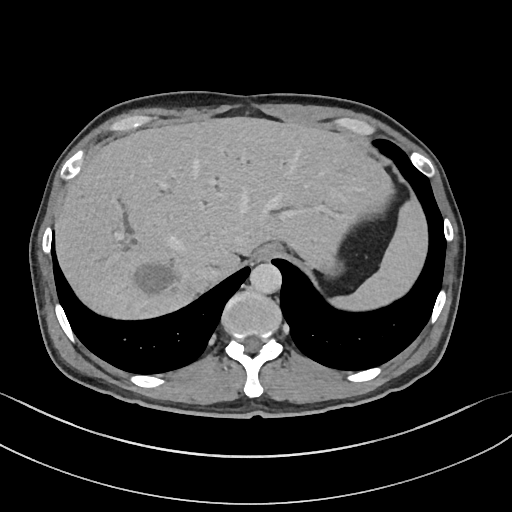

CT abdomen · axial view · soft-tissue window (W 400 / L 40) · 512x512 px · 14 organs annotated in this scan (a whole-scan count: organs this slice does not pass through have no box)
Boxes: x1:y1:x2:y2 in pixels. 6 labeled organs on this slice — spleen at 330:199:427:310; esophagus at 255:243:283:260; liver at 55:116:393:319; stomach at 327:262:341:276; aorta at 250:262:281:293; inferior vena cava at 190:266:218:291.